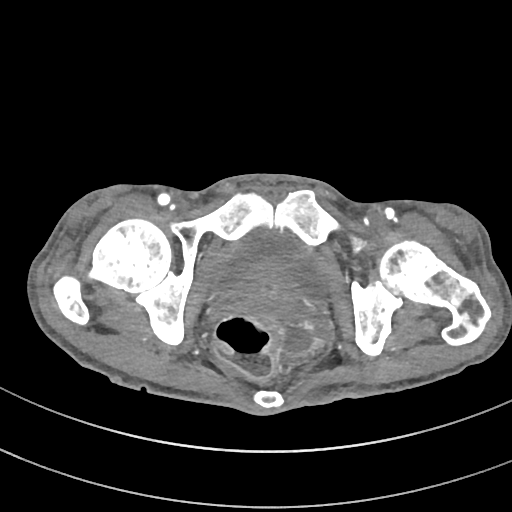 CT, abdomen/pelvis · axial view · soft-tissue window · 512x512 px · acquired on SOMATOM Force
<organs><organ name="bladder" x1="213" y1="222" x2="328" y2="298"/><organ name="prostate/uterus" x1="242" y1="276" x2="297" y2="313"/></organs>